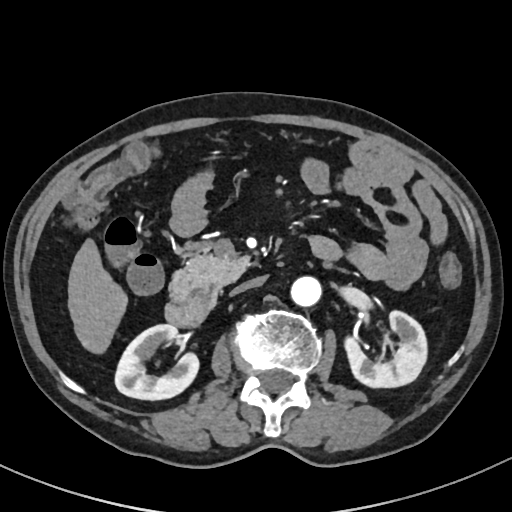

Computed tomography, abdomen. Axial slice 148/303. SOMATOM Force scanner
Bounding boxes as [x1, y1, x2, y2] in pixel coordinates.
Organ bounding boxes:
- right kidney: [115, 325, 198, 399]
- left kidney: [343, 309, 428, 387]
- liver: [68, 240, 126, 352]
- aorta: [291, 275, 322, 306]
- inferior vena cava: [231, 277, 265, 294]
- pancreas: [169, 239, 251, 300]
- duodenum: [165, 289, 215, 327]